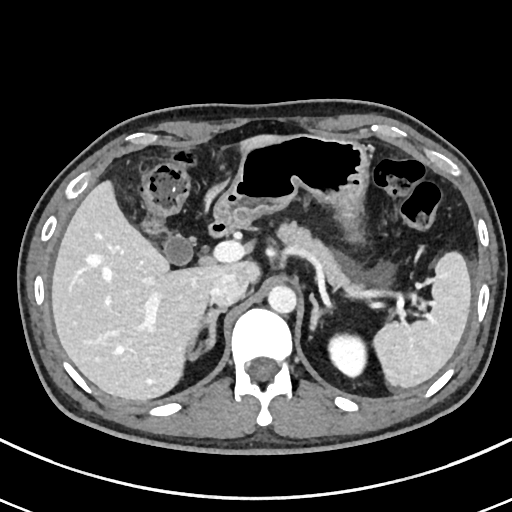
Computed tomography, abdomen · axial view · soft-tissue window · acquired on SOMATOM Force
Organ boxes in pixel coordinates; each row gives the top-left (x1, y1) and bottom-right (x2, y2) corners.
| organ | x1 | y1 | x2 | y2 |
|---|---|---|---|---|
| spleen | 373 | 250 | 470 | 387 |
| left kidney | 328 | 335 | 364 | 376 |
| gall bladder | 164 | 235 | 191 | 263 |
| liver | 51 | 134 | 287 | 402 |
| stomach | 215 | 134 | 370 | 243 |
| aorta | 268 | 286 | 296 | 314 |
| inferior vena cava | 210 | 273 | 247 | 308 |
| pancreas | 278 | 223 | 362 | 290 |
| right adrenal gland | 187 | 309 | 225 | 360 |
| left adrenal gland | 310 | 296 | 332 | 333 |
| duodenum | 210 | 218 | 235 | 235 |